Chest-level slice from an abdominal CT that extends up into the chest; axial view; 512x512 px; acquired on SOMATOM Force
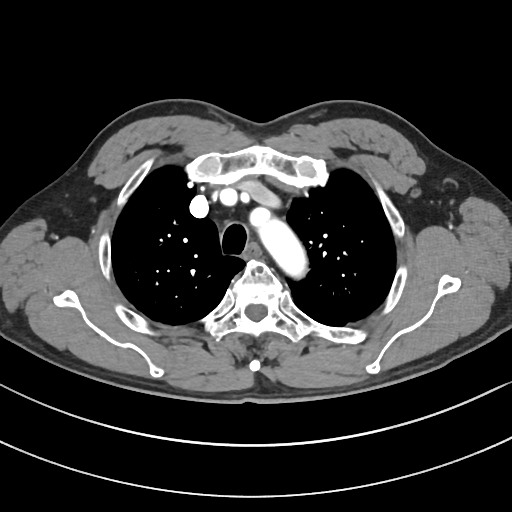
At this level of the chest this dataset labels only the esophagus and the aorta, and each is boxed only where it is labeled; the heart and lungs are never labeled.
<organs><organ name="esophagus" x1="247" y1="245" x2="259" y2="256"/><organ name="aorta" x1="247" y1="206" x2="309" y2="282"/></organs>